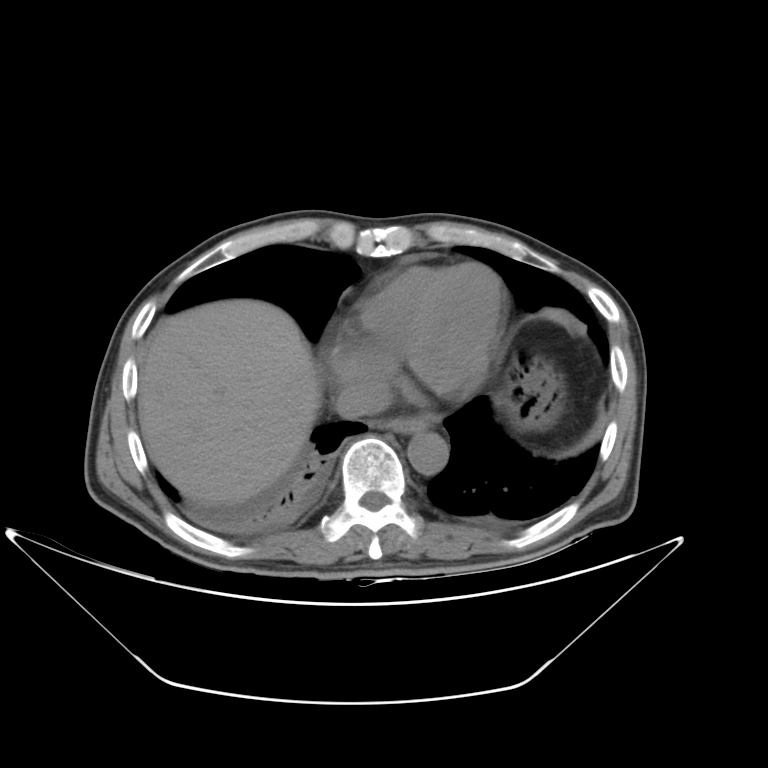

CT abdomen — axial plane, index 91 — 65-year-old male patient — 15 organs annotated in this scan (counted over the whole 3D scan, not this slice; an organ is boxed only where this slice passes through it)
{"organs":{"aorta":[407,432,448,475],"stomach":[502,351,565,430],"inferior vena cava":[334,380,389,419],"liver":[137,299,321,505],"esophagus":[373,416,428,433]}}